Chest-level slice from an abdominal CT that extends up into the chest. axial view. soft-tissue window. 512x512 px
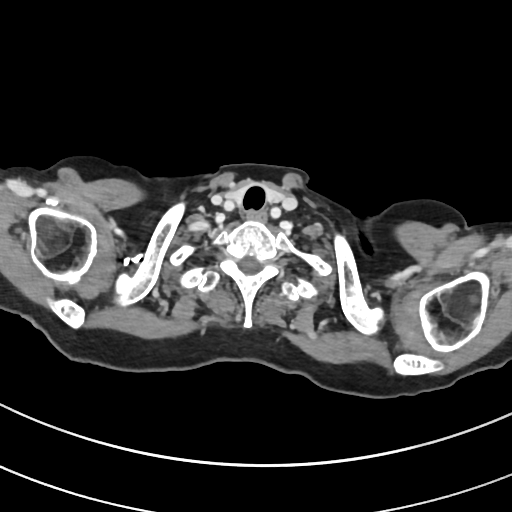
On a slice this high in the chest, this dataset labels only the esophagus and the aorta, and each is boxed only where it is labeled; the heart, lungs and other chest structures are not labeled.
{"organs":{"esophagus":[248,211,268,220]}}